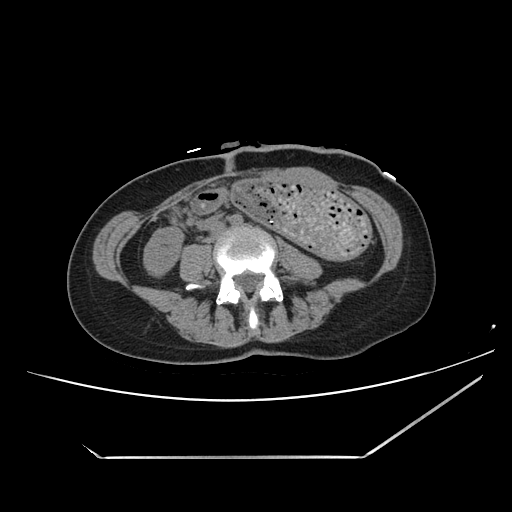

Computed tomography, abdomen — axial view — soft-tissue window (W 400 / L 40)
{"organs":{"right kidney":[144,228,182,276],"stomach":[230,180,372,258]}}